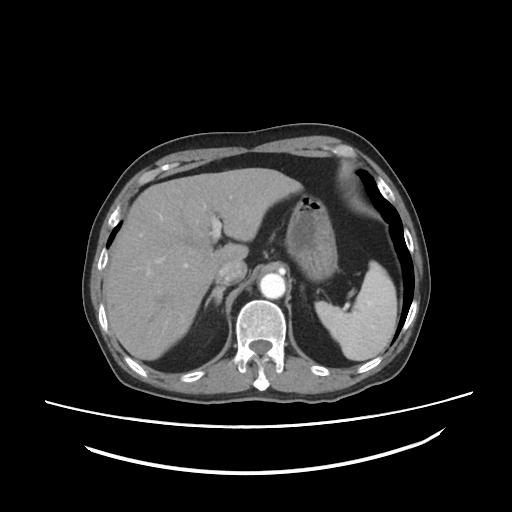 CT abdomen; Axial slice 74/135; soft-tissue window (W 400 / L 40); 68-year-old male patient
Boxes: x1 y1 x2 y2 (pixel coords, space-separated). The annotated organs in this slice are: spleen at 315 261 397 360, liver at 105 168 303 360, stomach at 285 194 337 281, aorta at 259 273 285 298, inferior vena cava at 215 261 246 285, right adrenal gland at 204 286 225 307.